Computed tomography, abdomen · axial plane, index 11 · 15 organs annotated in this scan (that count is for the whole scan; organs this slice misses have no box)
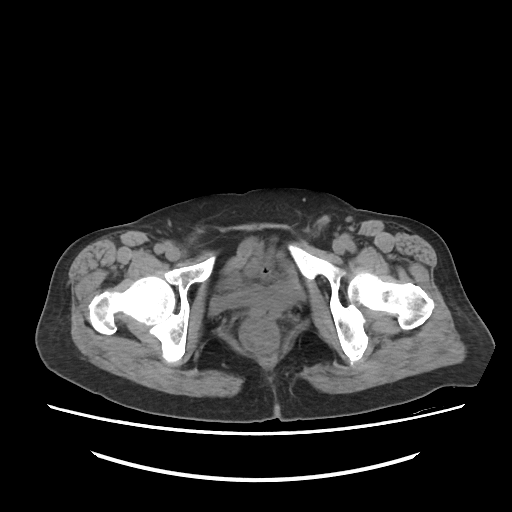

Boxes: x1:y1:x2:y2 in pixels.
bladder: 209:285:307:314